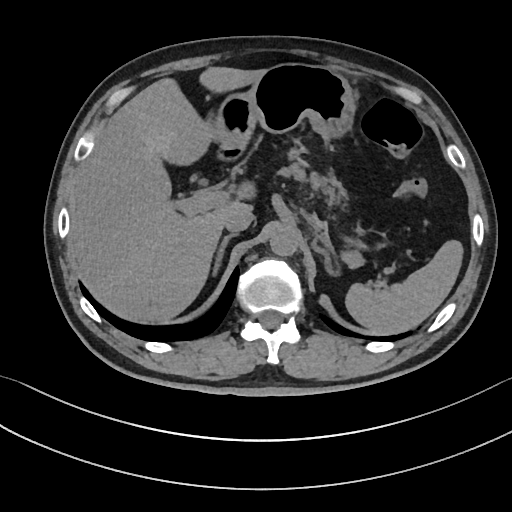

Computed tomography, abdomen · axial plane, index 177
Bounding boxes as [x1, y1, x2, y2] in pixel coordinates.
Organ bounding boxes:
- spleen: [345, 239, 463, 334]
- pancreas: [281, 160, 345, 204]
- liver: [68, 66, 264, 322]
- right adrenal gland: [210, 233, 237, 275]
- inferior vena cava: [224, 208, 254, 232]
- stomach: [213, 63, 355, 152]
- duodenum: [217, 149, 242, 161]
- aorta: [269, 227, 298, 255]
- left adrenal gland: [324, 255, 339, 275]